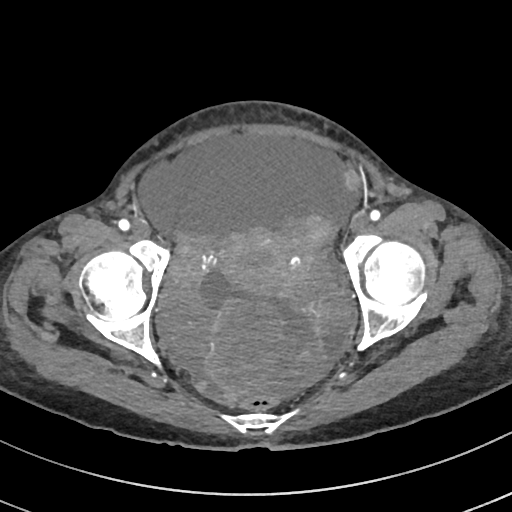 Computed tomography, abdomen — axial plane, index 32 — 512x512 px — 15 organs annotated in this scan (that count is for the whole scan; organs this slice misses have no box)
{"organs":{"prostate/uterus":[220,228,301,295]}}